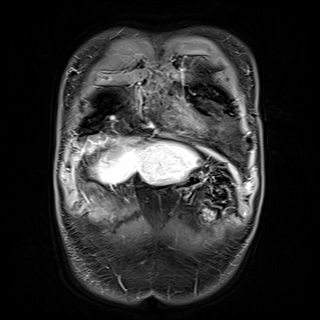
Abdominal MR; coronal view; 1st–99th percentile window; 320x320 px
{"organs":{"stomach":[179,167,204,189],"liver":[83,137,197,183]}}